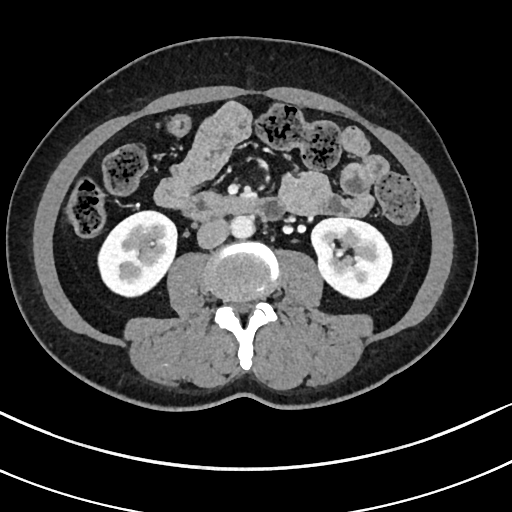
CT abdomen · axial view · abdomen soft-tissue window · 512x512 px · 15 organs annotated in this scan (counted over the whole 3D scan, not this slice; an organ is boxed only where this slice passes through it)
Boxes are (x1, y1, x2, y2) in pixels.
Organ bounding boxes:
- right kidney: (98, 211, 176, 296)
- left kidney: (311, 218, 392, 298)
- aorta: (230, 215, 254, 238)
- inferior vena cava: (197, 218, 229, 248)
- duodenum: (183, 192, 284, 221)